CT abdomen · axial view · soft-tissue window (W 400 / L 40) · 512x512 px · acquired on SOMATOM Force · 15 organs annotated in this scan (counted over the whole 3D scan, not this slice; an organ is boxed only where this slice passes through it)
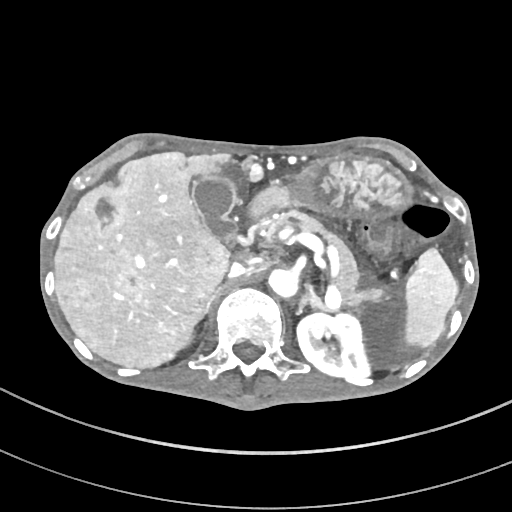 Box edges are left/top/right/bottom in pixels.
Organ bounding boxes:
- spleen: left=401, top=249, right=459, bottom=348
- left kidney: left=296, top=313, right=370, bottom=379
- gall bladder: left=193, top=178, right=237, bottom=236
- liver: left=53, top=152, right=262, bottom=367
- stomach: left=263, top=154, right=414, bottom=220
- aorta: left=267, top=268, right=299, bottom=299
- inferior vena cava: left=229, top=254, right=269, bottom=277
- pancreas: left=268, top=211, right=385, bottom=308
- right adrenal gland: left=198, top=287, right=220, bottom=335
- left adrenal gland: left=295, top=284, right=324, bottom=314
- duodenum: left=247, top=191, right=271, bottom=218